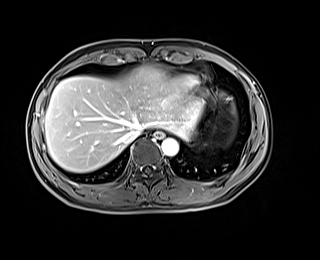

MRI, abdomen. Axial slice 45/72. 320x260 px
Bounding boxes in pixels, one row per box: x1, y1 is the top-left corner and x2, y2 the bottom-right.
| organ | x1 | y1 | x2 | y2 |
|---|---|---|---|---|
| esophagus | 154 | 132 | 164 | 138 |
| inferior vena cava | 122 | 126 | 143 | 143 |
| aorta | 161 | 138 | 178 | 156 |
| liver | 45 | 66 | 203 | 172 |